Computed tomography, abdomen. axial view. 512x512 px
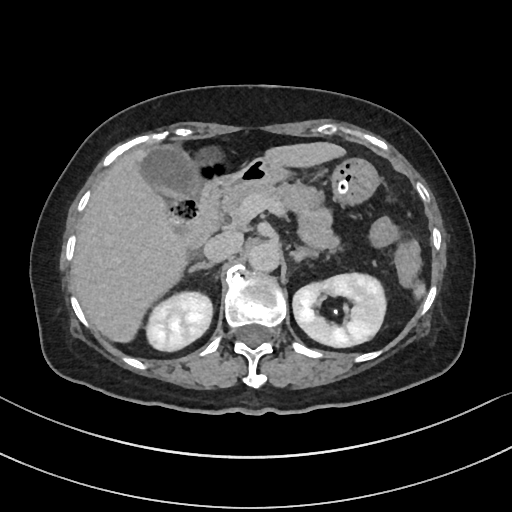

{"organs":{"left kidney":[293,273,385,347],"right kidney":[146,292,211,350],"right adrenal gland":[189,262,214,272],"spleen":[413,282,425,298],"pancreas":[220,181,341,249],"left adrenal gland":[290,248,316,263],"liver":[71,141,347,344],"gall bladder":[139,147,201,198],"duodenum":[185,159,270,247],"stomach":[248,158,380,207],"aorta":[247,241,279,273],"inferior vena cava":[203,231,243,262]}}